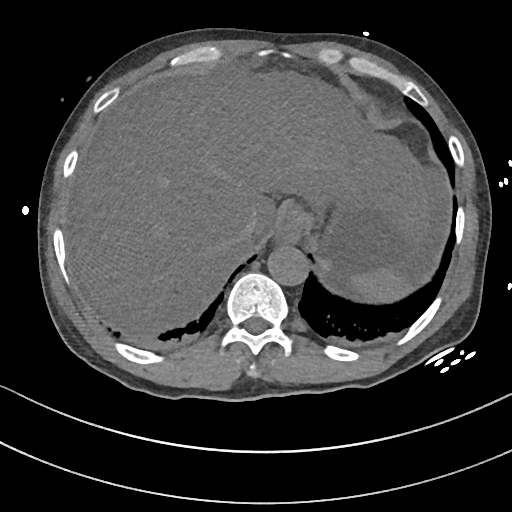 CT abdomen — axial view
Coordinates as <box>x1,y1,x2,y2</box> in pixels. The annotated organs in this slice are: spleen at <box>348,269,408,302</box>, esophagus at <box>275,200,303,242</box>, liver at <box>74,66,429,335</box>, stomach at <box>312,191,438,282</box>, aorta at <box>267,244,307,285</box>, inferior vena cava at <box>234,218,255,248</box>.